Abdominal CT · axial plane, index 29 · acquired on SOMATOM Force
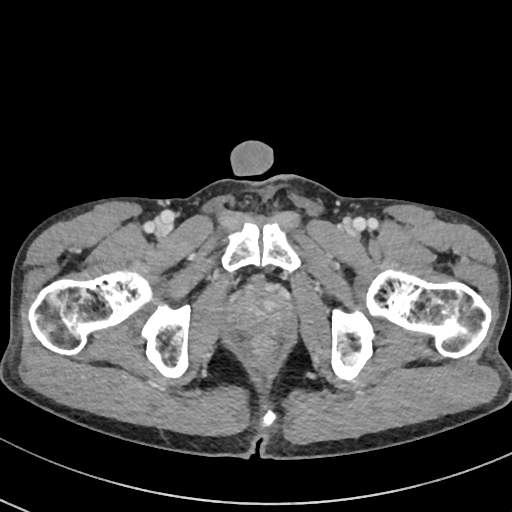
Box edges are left/top/right/bottom in pixels.
Organ bounding boxes:
- prostate/uterus: left=232, top=288, right=290, bottom=332